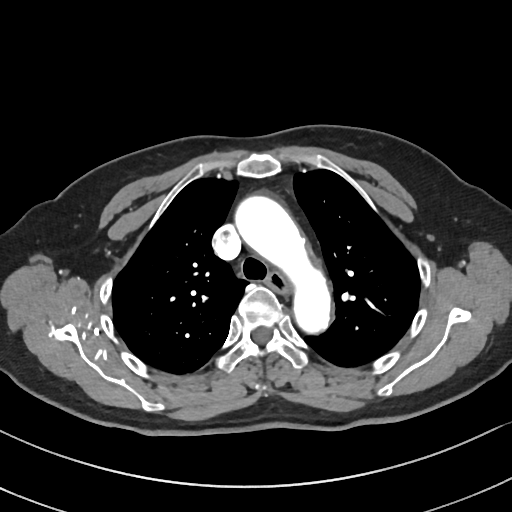 Chest-level slice from an abdominal CT that extends up into the chest. axial plane, index 253. soft-tissue window, W/L 400/40
On a slice this high in the chest, this dataset labels only the esophagus and the aorta, and each is boxed only where it is labeled; the heart, lungs and other chest structures are not labeled. Bounding boxes as [x1, y1, x2, y2] in pixel coordinates. The annotated organs in this slice are: esophagus at [265, 272, 291, 296], aorta at [233, 193, 332, 334].